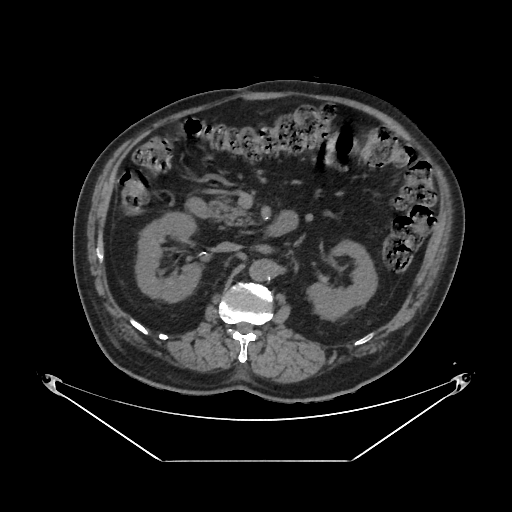
CT, abdomen/pelvis — axial view
Organ boxes in pixel coordinates; each row gives the top-left (x1, y1) and bottom-right (x2, y2) corners.
| organ | x1 | y1 | x2 | y2 |
|---|---|---|---|---|
| aorta | 249 | 260 | 275 | 280 |
| inferior vena cava | 216 | 242 | 240 | 251 |
| pancreas | 209 | 199 | 247 | 227 |
| right kidney | 136 | 213 | 201 | 302 |
| duodenum | 188 | 201 | 286 | 235 |
| left kidney | 306 | 241 | 377 | 320 |